CT abdomen · axial view · soft-tissue window
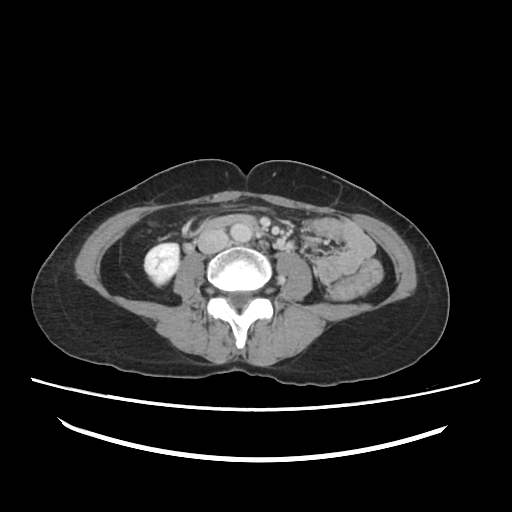 Coordinates as <box>x1,y1,x2,y2</box> in pixels. The annotated organs in this slice are: inferior vena cava at <box>197,229,229,254</box>, duodenum at <box>207,213,260,228</box>, aorta at <box>230,221,254,243</box>, right kidney at <box>143,242,180,286</box>.